Abdominal CT reaching into the chest; this slice is in the chest; axial view
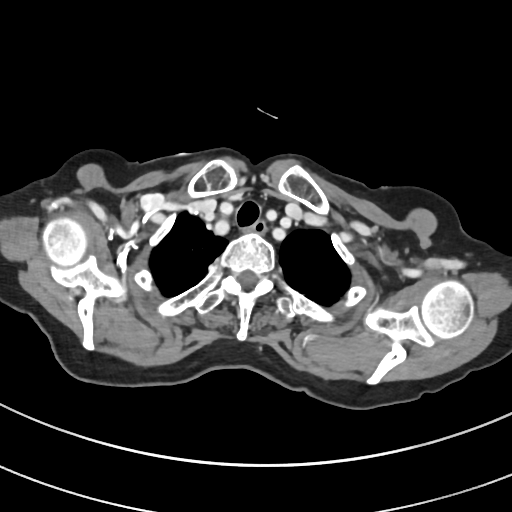
On a slice this high in the chest, this dataset labels only the esophagus and the aorta, and each is boxed only where it is labeled; the heart, lungs and other chest structures are not labeled.
Boxes are (x1, y1, x2, y2) in pixels.
Organ bounding boxes:
- esophagus: (251, 220, 266, 233)